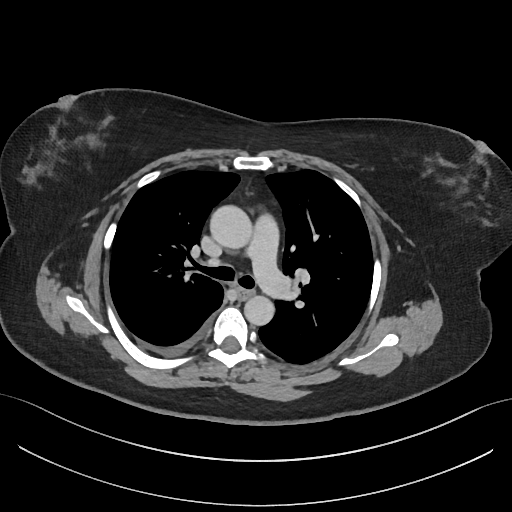

Chest-level slice from an abdominal CT that extends up into the chest; axial view; acquired on SOMATOM Force; 15 organs annotated in this scan (a whole-scan count: organs this slice does not pass through have no box)
At this level of the chest this dataset labels only the esophagus and the aorta, and each is boxed only where it is labeled; the heart and lungs are never labeled.
Each box given as x1,y1,x2,y2.
Organ bounding boxes:
- esophagus: x1=238, y1=289, x2=252, y2=298
- aorta: x1=210, y1=206, x2=253, y2=250
- aorta: x1=244, y1=295, x2=275, y2=325